Computed tomography, abdomen · axial view · 512x512 px · 60-year-old female patient · Aquilion ONE scanner
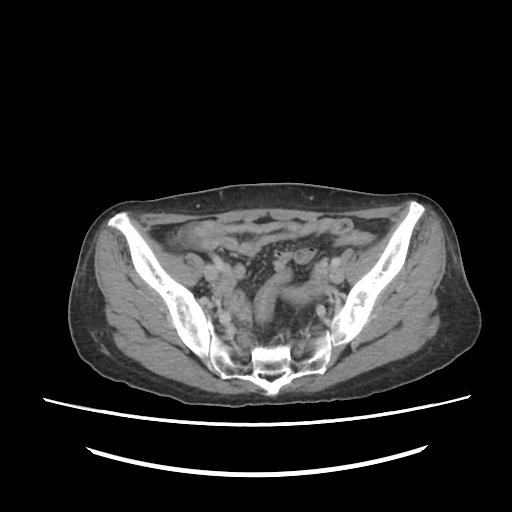 Bounding boxes as [x1, y1, x2, y2] in pixel coordinates. Labeled organs on this slice: prostate/uterus at [282, 284, 322, 305].